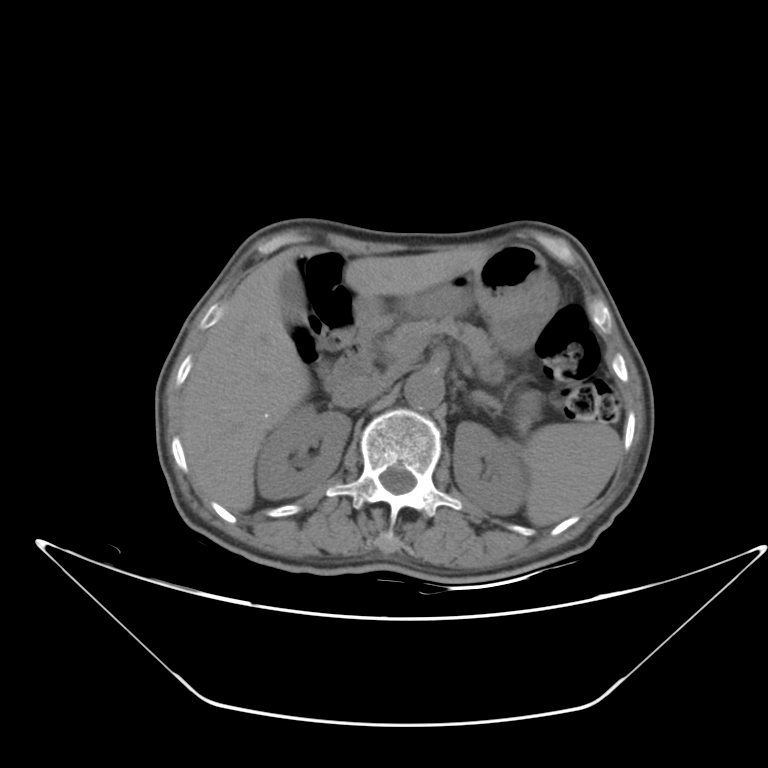

CT, abdomen/pelvis. axial view. abdomen soft-tissue window. 768x768 px. 69-year-old male patient. scan has 15 labeled organs (that count is for the whole scan; organs this slice misses have no box)
Boxes: x1 y1 x2 y2 (pixel coords, space-separated).
spleen: 524 422 622 526
right kidney: 255 404 348 498
left kidney: 454 423 526 514
gall bladder: 277 260 304 321
liver: 181 245 493 510
stomach: 352 243 557 349
aorta: 404 369 444 411
inferior vena cava: 336 373 396 405
pancreas: 381 320 507 384
left adrenal gland: 470 392 501 409
duodenum: 327 314 391 390